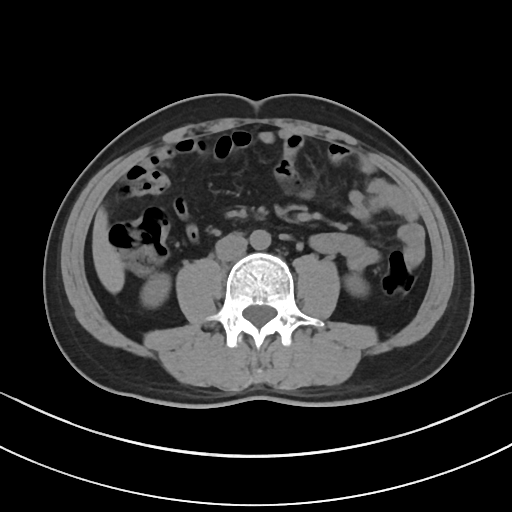
CT, abdomen/pelvis · axial plane, index 48 · acquired on SOMATOM Force · 15 organs annotated in this scan (a whole-scan count: organs this slice does not pass through have no box)
Boxes: x1:y1:x2:y2 in pixels.
right kidney: 140:273:170:307
left kidney: 345:274:368:296
liver: 92:208:125:293
aorta: 249:230:271:249
inferior vena cava: 215:234:247:261